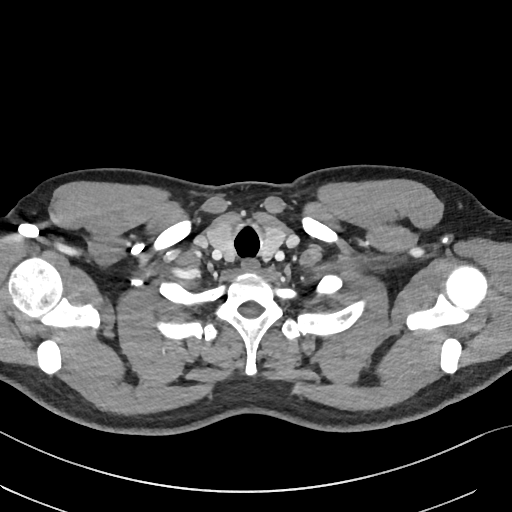 CT of the abdomen extending into the chest, slice through the chest; axial view; soft-tissue window
On a slice this high in the chest, this dataset labels only the esophagus and the aorta, and each is boxed only where it is labeled; the heart, lungs and other chest structures are not labeled.
{"organs":{"esophagus":[239,260,257,272]}}